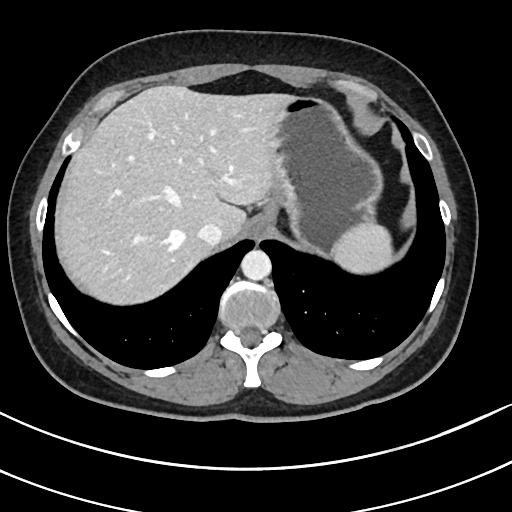 CT abdomen. axial view. abdomen soft-tissue window. 512x512 px
Each box given as x1,y1,x2,y2. The annotated organs in this slice are: aorta at x1=241, y1=250, x2=271, y2=280, spleen at x1=333, y1=222, x2=391, y2=272, stomach at x1=266, y1=98, x2=382, y2=254, inferior vena cava at x1=198, y1=221, x2=224, y2=244, esophagus at x1=245, y1=214, x2=272, y2=240, liver at x1=57, y1=85, x2=297, y2=302.